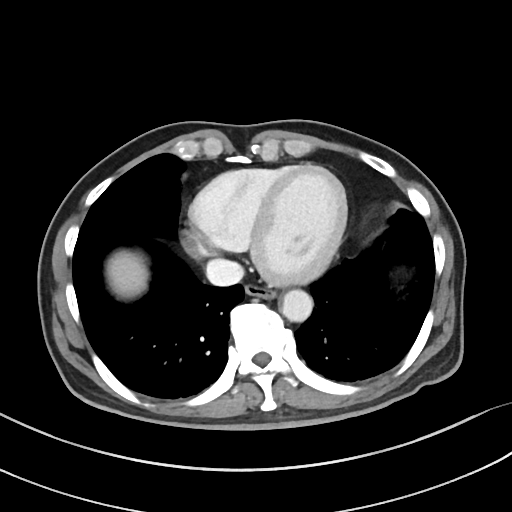

Computed tomography, abdomen. Axial slice 84/128. abdomen soft-tissue window. 512x512 px
Organ boxes in pixel coordinates; each row gives the top-left (x1, y1) and bottom-right (x2, y2) corners.
| organ | x1 | y1 | x2 | y2 |
|---|---|---|---|---|
| inferior vena cava | 206 | 259 | 244 | 286 |
| liver | 106 | 250 | 147 | 297 |
| aorta | 281 | 289 | 312 | 321 |
| esophagus | 245 | 283 | 275 | 298 |